CT, abdomen/pelvis · Axial slice 10/237 · abdomen soft-tissue window · 512x512 px
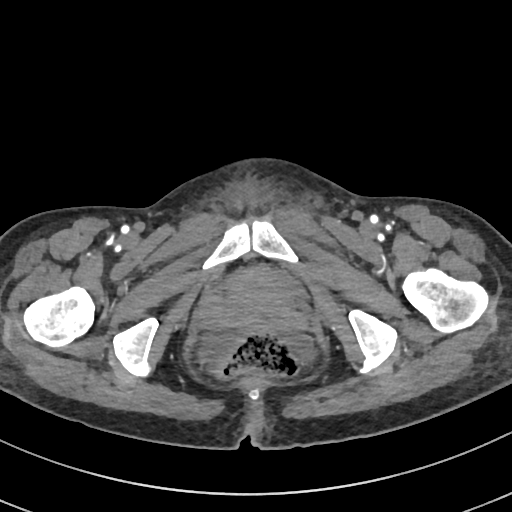 <organs><organ name="bladder" x1="227" y1="265" x2="307" y2="296"/></organs>